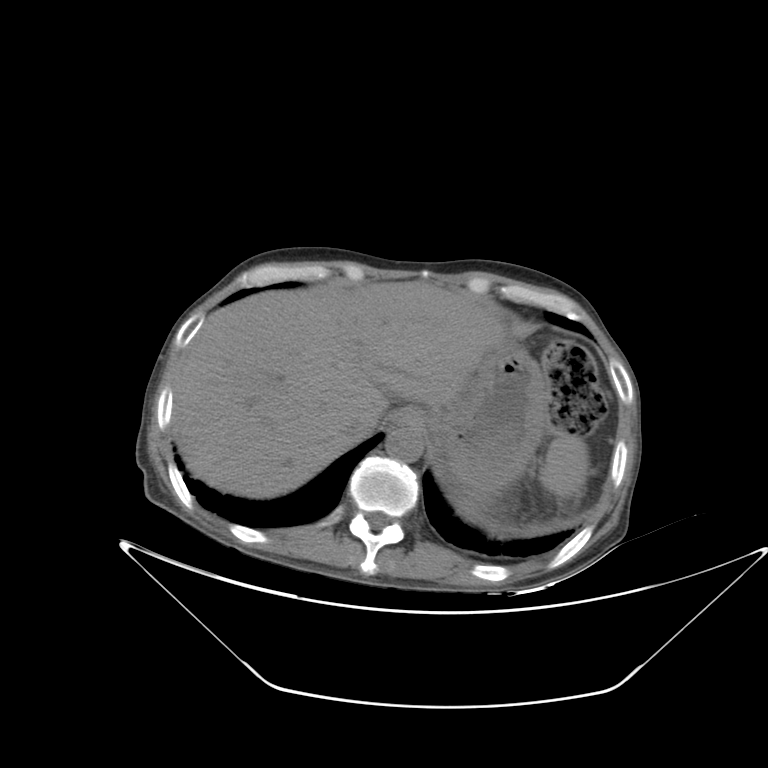

Abdominal CT · axial view · 768x768 px · acquired on Brilliance16 · 14 organs annotated in this scan (that count is for the whole scan; organs this slice misses have no box)
<organs><organ name="liver" x1="173" y1="282" x2="505" y2="498"/><organ name="spleen" x1="456" y1="433" x2="589" y2="521"/><organ name="inferior vena cava" x1="338" y1="410" x2="380" y2="438"/><organ name="esophagus" x1="392" y1="405" x2="429" y2="427"/><organ name="aorta" x1="385" y1="427" x2="423" y2="462"/><organ name="stomach" x1="424" y1="344" x2="548" y2="503"/></organs>